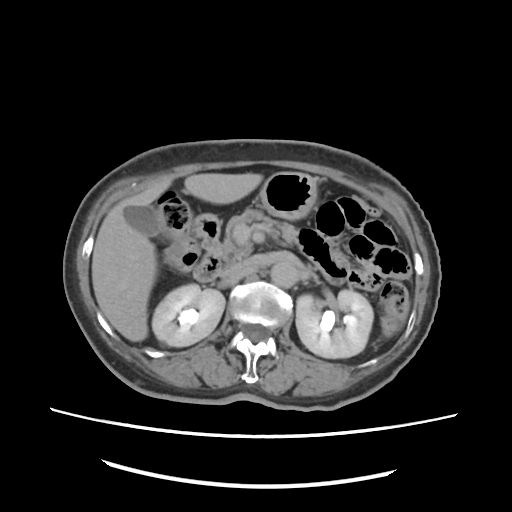

Computed tomography, abdomen · Axial slice 66/89 · 15 organs annotated in this scan (a whole-scan count: organs this slice does not pass through have no box)
One row per box, in pixels: columns x1 and y1 give the top-left corner, x2 and y2 the bottom-right.
| organ | x1 | y1 | x2 | y2 |
|---|---|---|---|---|
| right kidney | 151 | 284 | 225 | 348 |
| left kidney | 295 | 290 | 373 | 358 |
| gall bladder | 124 | 204 | 161 | 237 |
| liver | 92 | 173 | 261 | 341 |
| stomach | 257 | 173 | 315 | 218 |
| aorta | 270 | 261 | 297 | 287 |
| inferior vena cava | 220 | 260 | 257 | 283 |
| pancreas | 217 | 209 | 302 | 260 |
| duodenum | 191 | 213 | 220 | 281 |